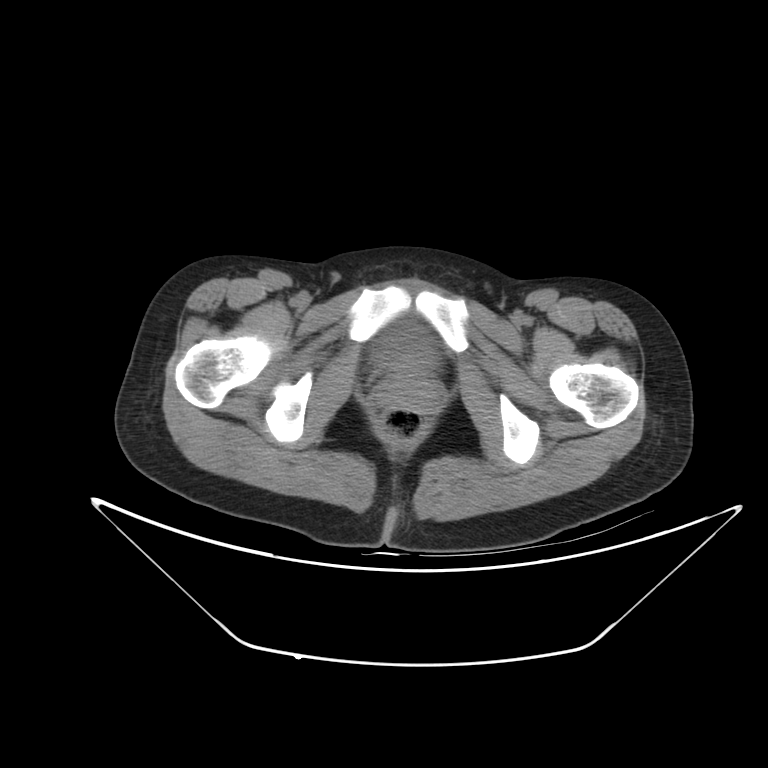

Computed tomography, abdomen; axial view; scan has 15 labeled organs (counted over the whole 3D scan, not this slice; an organ is boxed only where this slice passes through it)
Bounding boxes as [x1, y1, x2, y2] in pixel coordinates.
bladder: [371, 322, 435, 372]